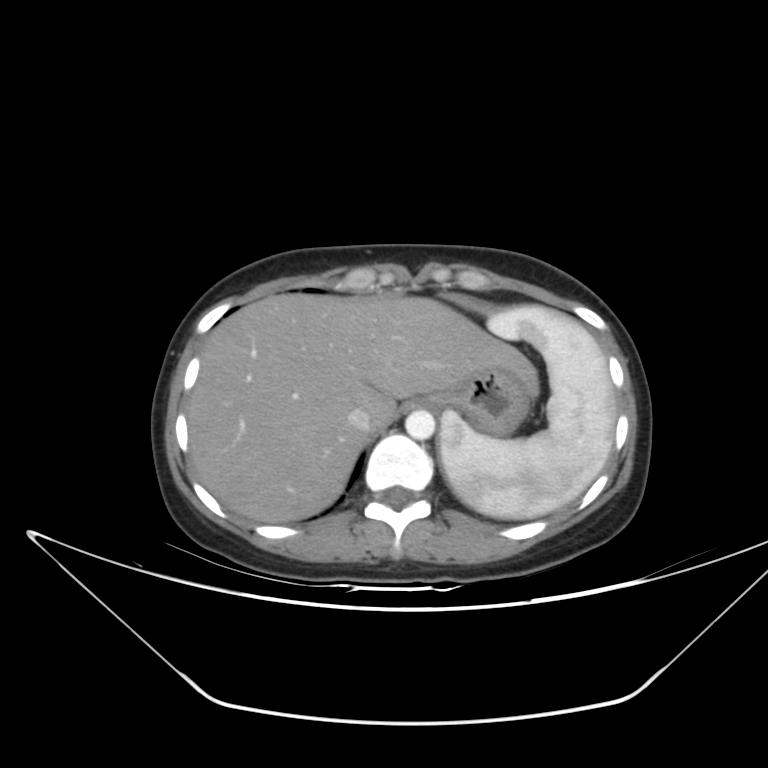

CT abdomen — Axial slice 30/72 — soft-tissue window — 768x768 px — 13 organs annotated in this scan (counted over the whole 3D scan, not this slice; an organ is boxed only where this slice passes through it)
One row per box, in pixels: columns x1 and y1 give the top-left corner, x2 and y2 the bottom-right.
| organ | x1 | y1 | x2 | y2 |
|---|---|---|---|---|
| spleen | 440 | 306 | 617 | 519 |
| esophagus | 407 | 395 | 442 | 410 |
| liver | 187 | 293 | 540 | 522 |
| stomach | 439 | 353 | 534 | 437 |
| aorta | 405 | 410 | 434 | 439 |
| inferior vena cava | 347 | 407 | 371 | 432 |